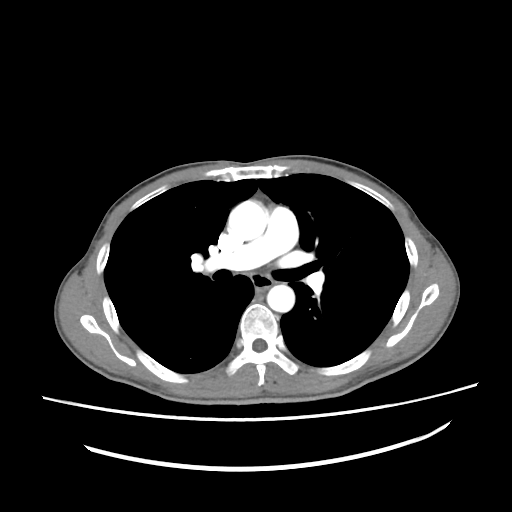

CT of the abdomen extending into the chest, slice through the chest. axial view. 512x512 px. 50-year-old male patient
On a slice this high in the chest, this dataset labels only the esophagus and the aorta, and each is boxed only where it is labeled; the heart, lungs and other chest structures are not labeled.
{"organs":{"esophagus":[251,274,272,288],"aorta":[[228,200,267,240],[267,285,294,312]]}}